Computed tomography, abdomen. Axial slice 202/237. soft-tissue window. SOMATOM Force scanner
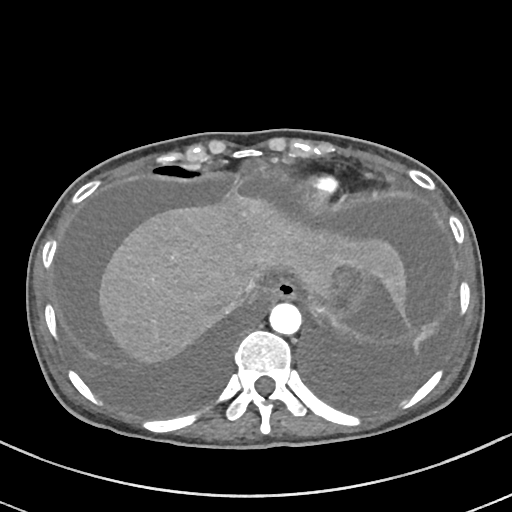
Boxes: x1:y1:x2:y2 in pixels.
Organ bounding boxes:
- stomach: 323:258:368:317
- aorta: 269:302:301:334
- liver: 97:196:406:367
- esophagus: 269:279:297:299
- inferior vena cava: 227:281:255:309